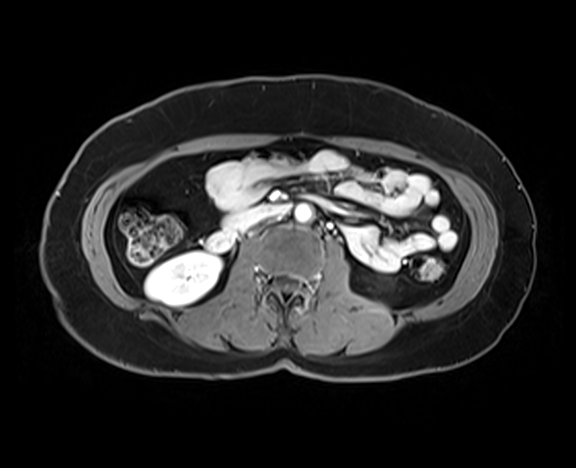 MRI, abdomen · Axial slice 1/72 · 576x468 px
Bounding boxes as [x1, y1, x2, y2] in pixel coordinates.
right kidney: [145, 252, 220, 305]
aorta: [295, 203, 311, 222]
pancreas: [222, 208, 253, 224]
duodenum: [207, 204, 288, 251]